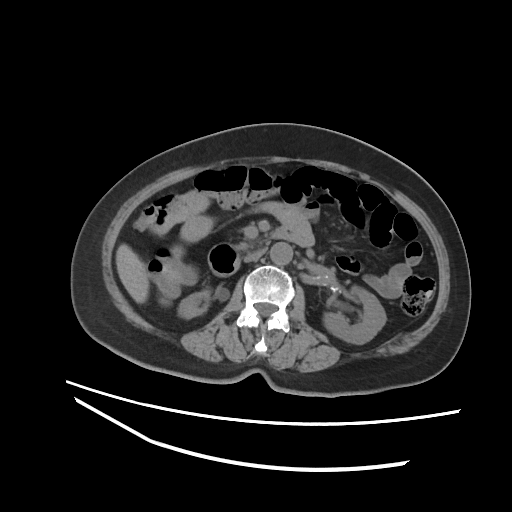

Computed tomography, abdomen — axial view — soft-tissue window (W 400 / L 40) — Aquilion ONE scanner
{"organs":{"right kidney":[178,291,209,319],"left kidney":[323,286,386,344],"liver":[116,244,148,303],"aorta":[270,242,292,264],"inferior vena cava":[243,249,264,262],"pancreas":[235,241,250,250],"duodenum":[208,227,314,276]}}